Computed tomography, abdomen. axial plane, index 70
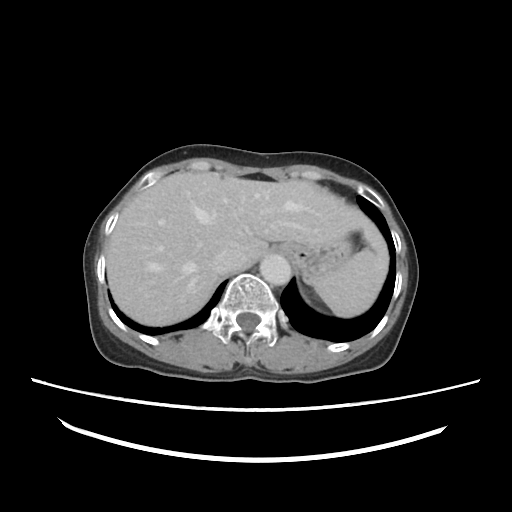 {"organs":{"inferior vena cava":[211,252,243,274],"liver":[107,171,388,325],"stomach":[274,234,355,283],"aorta":[260,255,290,285],"spleen":[312,248,384,318]}}